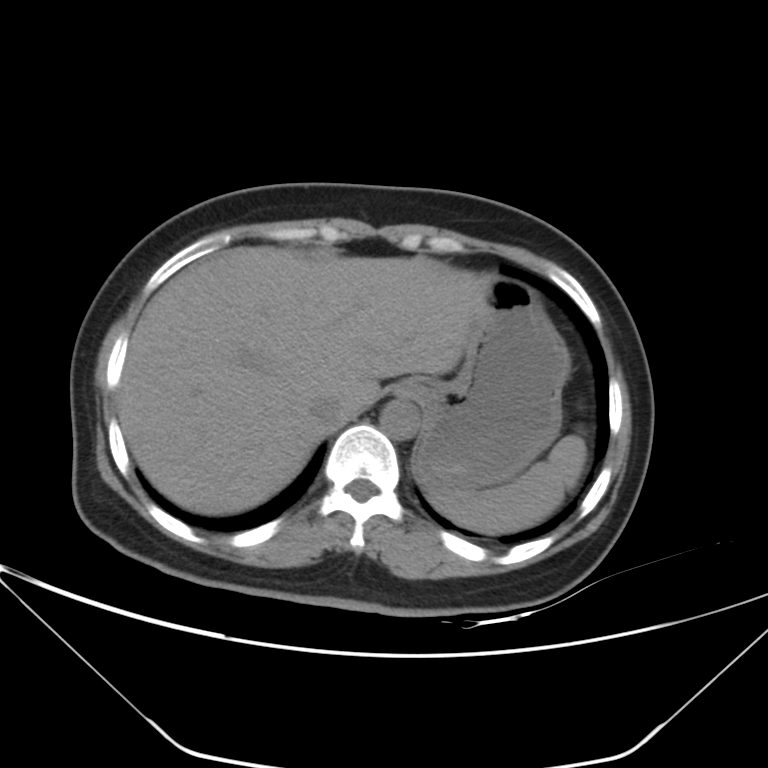 CT, abdomen/pelvis · axial view
Coordinates as <box>x1,y1,x2,y2</box> in pixels.
spleen: <box>426,434,586,533</box>
esophagus: <box>395,379,417,399</box>
liver: <box>120,246,488,515</box>
stomach: <box>414,275,570,490</box>
aorta: <box>379,400,418,440</box>
inferior vena cava: <box>308,393,344,427</box>